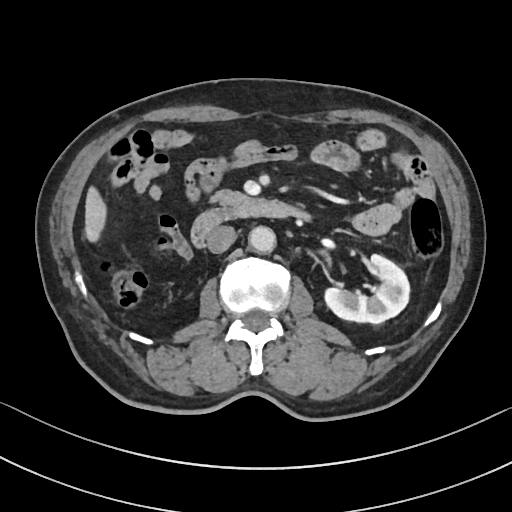

CT, abdomen/pelvis · axial view
Boxes are (x1, y1, x2, y2) in pixels. Labeled organs on this slice: liver at (84, 185, 106, 240), inferior vena cava at (206, 226, 235, 253), aorta at (249, 227, 276, 253), duodenum at (191, 199, 307, 249), pancreas at (209, 189, 251, 210), left kidney at (323, 254, 408, 323).